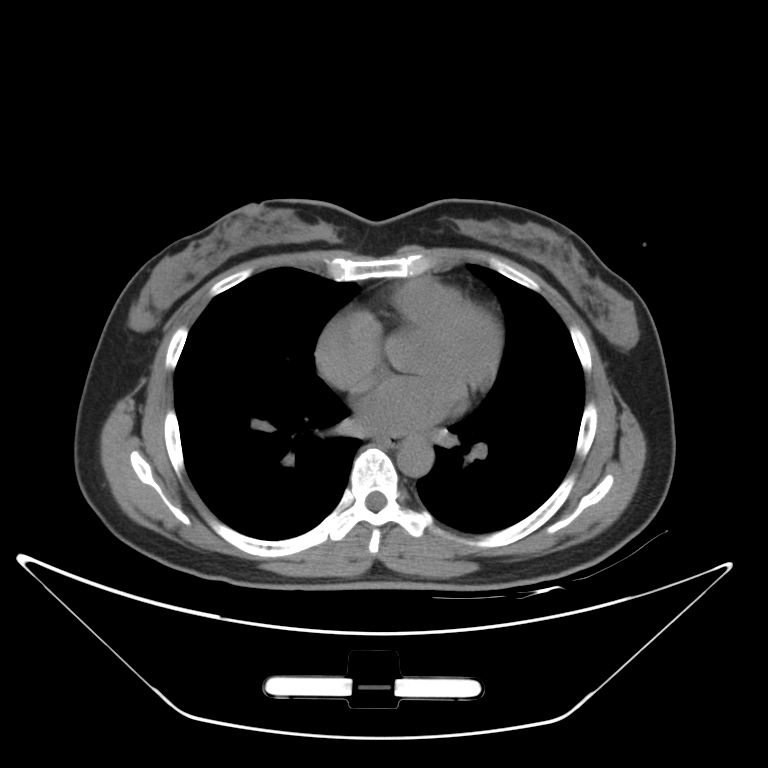
CT of the abdomen reaching into the lower chest, slice just above the liver and spleen · axial view · 39-year-old female patient
Of the structures in the chest, this dataset labels only the esophagus, the aorta and the inferior vena cava; the heart and lungs have no label.
Each box given as x1,y1,x2,y2.
esophagus: x1=377, y1=435, x2=402, y2=446
aorta: x1=396, y1=439, x2=433, y2=477